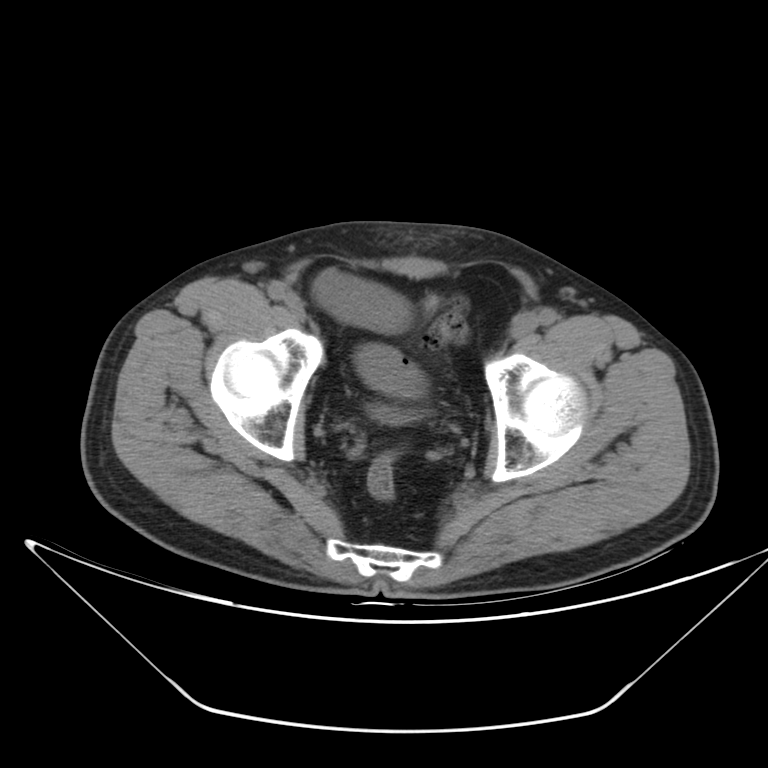 Abdominal CT; axial view; 768x768 px
Coordinates as <box>x1,y1,x2,y2</box> in pixels. 1 labeled organ on this slice — bladder at <box>371,405,410,424</box>.